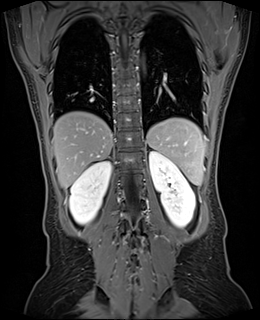 Magnetic resonance imaging, abdomen · coronal view · acquired on Prisma
{"organs":{"liver":[52,111,112,188],"right kidney":[69,160,111,224],"spleen":[147,118,204,184],"left kidney":[149,151,195,227]}}